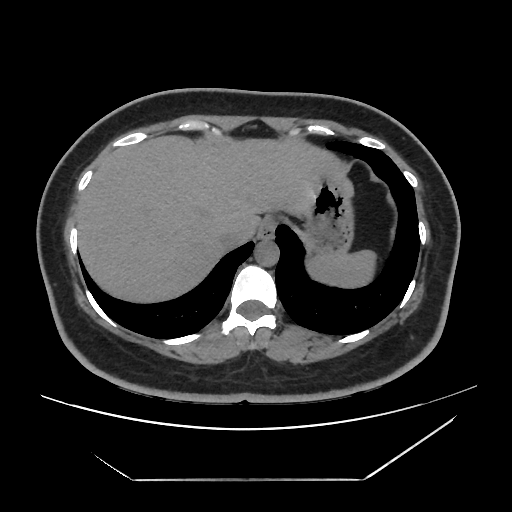
Abdominal CT. axial view
Boxes are (x1, y1, x2, y2) in pixels. 6 labeled organs on this slice — spleen at (305, 250, 375, 289); esophagus at (258, 215, 277, 239); liver at (78, 135, 345, 303); stomach at (298, 166, 355, 256); aorta at (254, 240, 279, 265); inferior vena cava at (221, 223, 256, 248).